CT abdomen; Axial slice 22/96; abdomen soft-tissue window
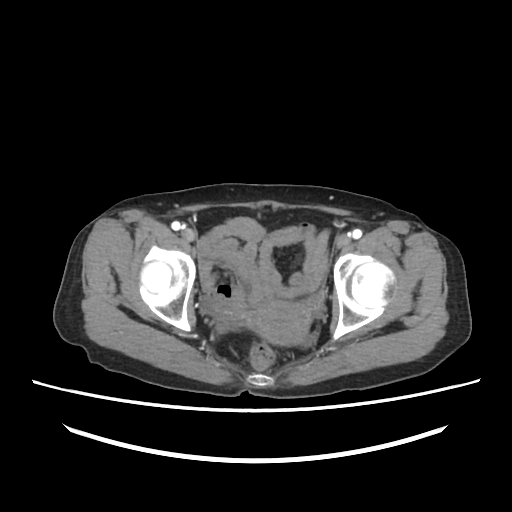 <organs><organ name="prostate/uterus" x1="245" y1="301" x2="310" y2="345"/></organs>